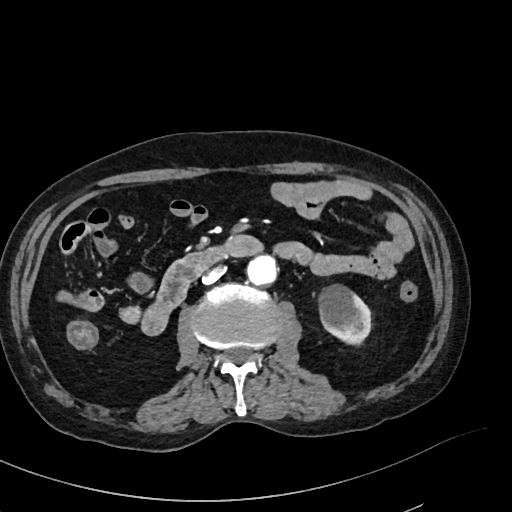 Abdominal CT · axial view · soft-tissue window (W 400 / L 40)
Organ boxes in pixel coordinates; each row gives the top-left (x1, y1) and bottom-right (x2, y2) corners.
| organ | x1 | y1 | x2 | y2 |
|---|---|---|---|---|
| left kidney | 319 | 284 | 371 | 344 |
| aorta | 246 | 255 | 277 | 285 |
| inferior vena cava | 202 | 266 | 224 | 284 |
| duodenum | 141 | 235 | 262 | 336 |